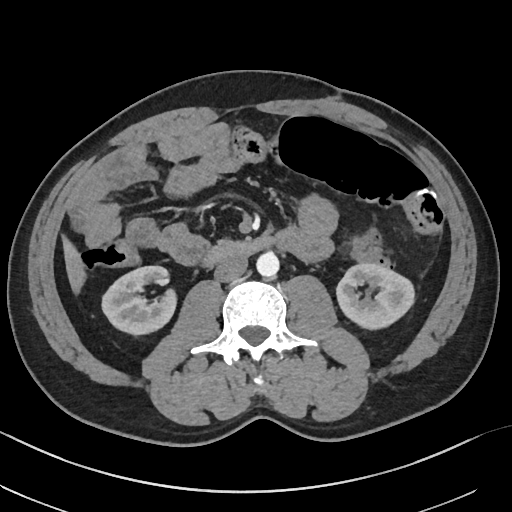

CT abdomen · Axial slice 133/307 · 512x512 px · 15 organs annotated in this scan (that count is for the whole scan; organs this slice misses have no box)
Each box given as x1,y1,x2,y2.
right kidney: x1=102, y1=266, x2=175, y2=336
left kidney: x1=336, y1=263, x2=414, y2=328
liver: x1=61, y1=234, x2=85, y2=293
aorta: x1=256, y1=253, x2=279, y2=278
inferior vena cava: x1=213, y1=256, x2=247, y2=282
duodenum: x1=203, y1=236, x2=277, y2=267